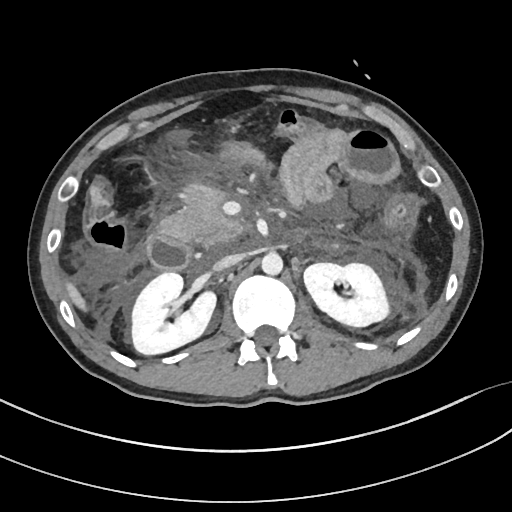

CT, abdomen/pelvis. axial view. W/L 400/40 HU
{"organs":{"right kidney":[130,272,216,354],"left kidney":[304,263,391,326],"liver":[65,281,86,309],"aorta":[261,253,283,275],"inferior vena cava":[213,253,243,271],"pancreas":[160,187,243,245],"duodenum":[147,234,192,270]}}